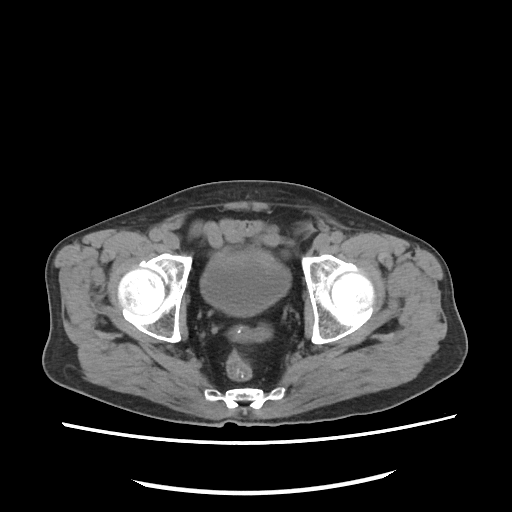

CT, abdomen/pelvis. axial view. W/L 400/40 HU. acquired on Aquilion ONE
Boxes: x1:y1:x2:y2 in pixels.
bladder: 201:251:290:315